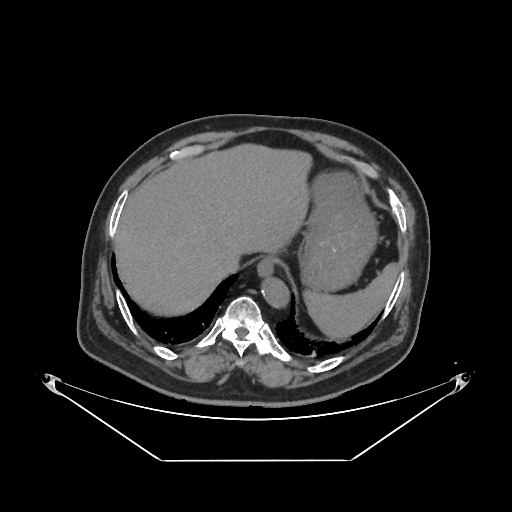

CT, abdomen/pelvis — axial view — W/L 400/40 HU — scan has 15 labeled organs (a whole-scan count: organs this slice does not pass through have no box)
Coordinates as <box>x1,y1,x2,y2</box> in pixels. The annotated organs in this slice are: inferior vena cava at <box>220,254,240,273</box>, aorta at <box>262,278,290,308</box>, stomach at <box>300,172,376,291</box>, spleen at <box>303,264,398,338</box>, esophagus at <box>256,258,273,277</box>, liver at <box>116,144,311,315</box>.